CT, abdomen/pelvis. axial view. Aquilion ONE scanner
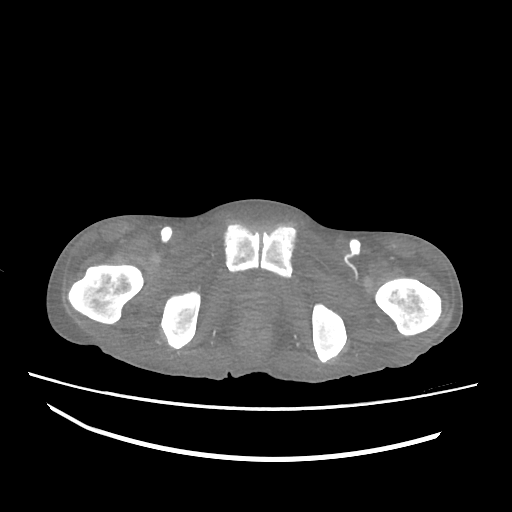

Bounding boxes in pixels, one row per box: x1, y1 is the top-left corner and x2, y2 the bottom-right.
| organ | x1 | y1 | x2 | y2 |
|---|---|---|---|---|
| prostate/uterus | 244 | 285 | 271 | 312 |
| bladder | 238 | 271 | 259 | 291 |